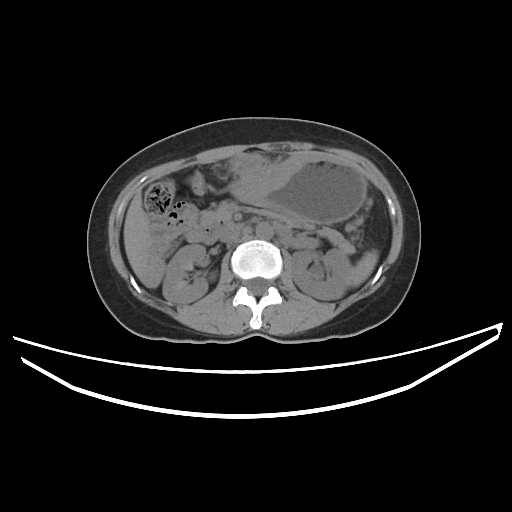

Abdominal CT; Axial slice 58/81; W/L 400/40 HU; Aquilion ONE scanner
{"organs":{"left kidney":[291,249,351,300],"pancreas":[200,201,352,249],"stomach":[230,154,366,224],"liver":[123,191,150,280],"spleen":[348,250,378,287],"aorta":[255,223,273,239],"duodenum":[186,215,269,244],"right kidney":[163,244,208,303],"inferior vena cava":[220,225,241,242]}}